CT abdomen. axial view. 512x512 px
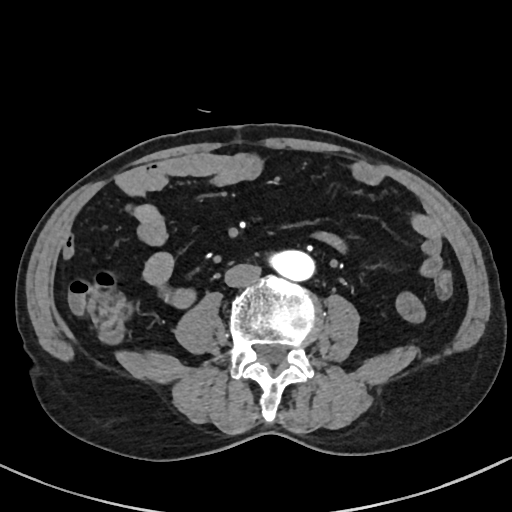

Organ boxes in pixel coordinates; each row gives the top-left (x1, y1) and bottom-right (x2, y2) corners.
| organ | x1 | y1 | x2 | y2 |
|---|---|---|---|---|
| inferior vena cava | 224 | 264 | 261 | 287 |
| aorta | 270 | 250 | 314 | 280 |